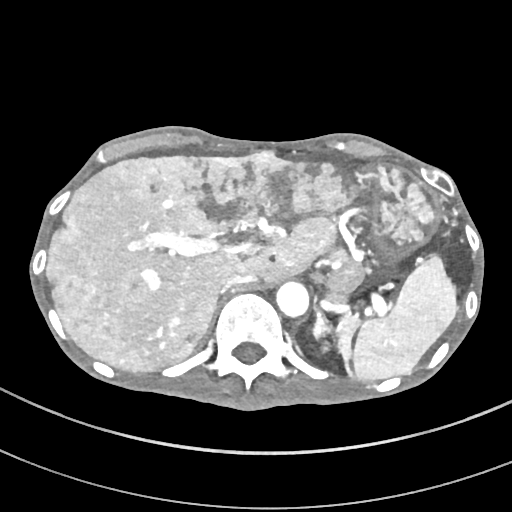 CT abdomen — axial view — 512x512 px — 15 organs annotated in this scan (counted over the whole 3D scan, not this slice; an organ is boxed only where this slice passes through it)
Boxes: x1 y1 x2 y2 (pixel coords, space-separated). The annotated organs in this slice are: spleen at 336 257 459 380, left kidney at 316 338 331 354, liver at 46 152 362 371, stomach at 362 164 437 257, aorta at 276 280 308 317, inferior vena cava at 220 273 257 295, left adrenal gland at 312 310 336 344.